CT, abdomen/pelvis; axial view; W/L 400/40 HU; acquired on Aquilion ONE
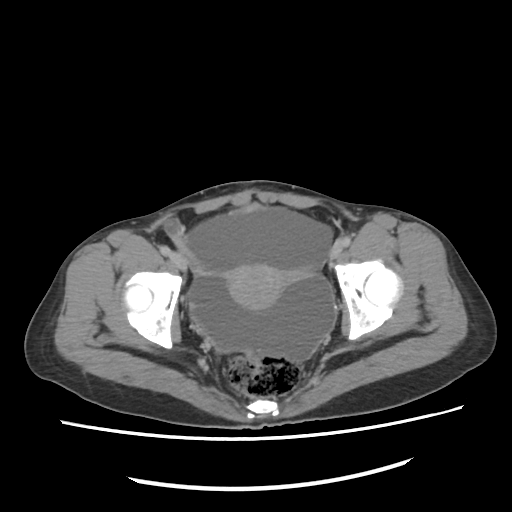
Bounding boxes as [x1, y1, x2, y2] in pixel coordinates.
Organ bounding boxes:
- prostate/uterus: [227, 263, 280, 310]